CT of the abdomen extending into the chest, slice through the chest. axial view. W/L 400/40 HU. 512x512 px
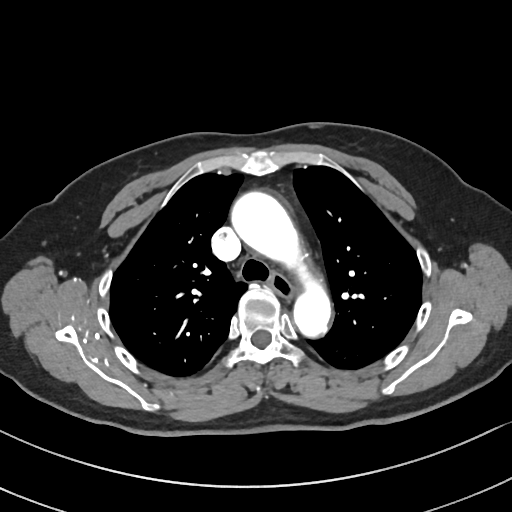

At this level of the chest this dataset labels only the esophagus and the aorta, and each is boxed only where it is labeled; the heart and lungs are never labeled.
{"organs":{"esophagus":[267,272,292,298],"aorta":[229,189,330,338]}}